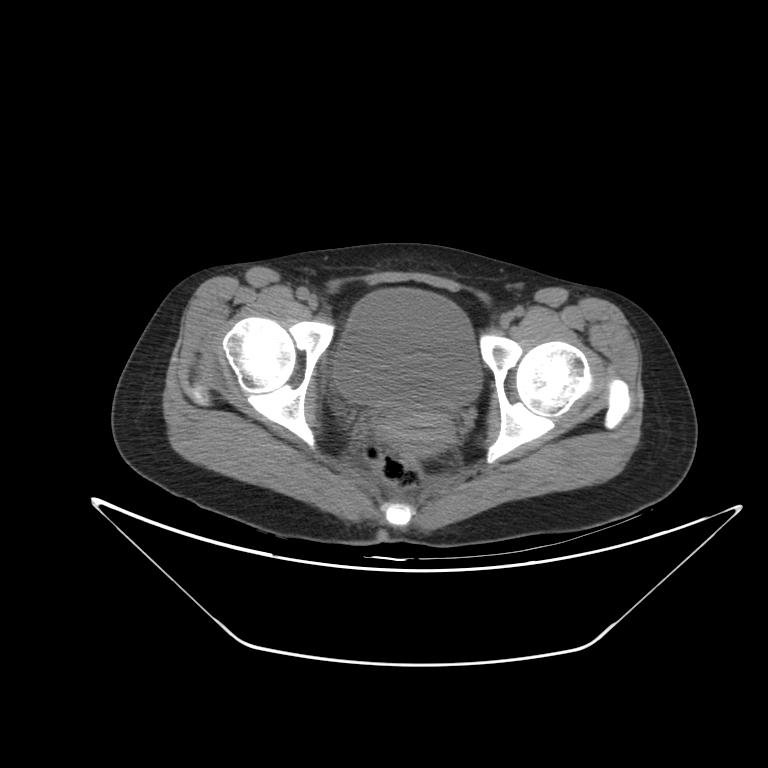 Abdominal CT · axial view
<organs><organ name="bladder" x1="332" y1="288" x2="481" y2="408"/><organ name="prostate/uterus" x1="379" y1="411" x2="453" y2="452"/></organs>